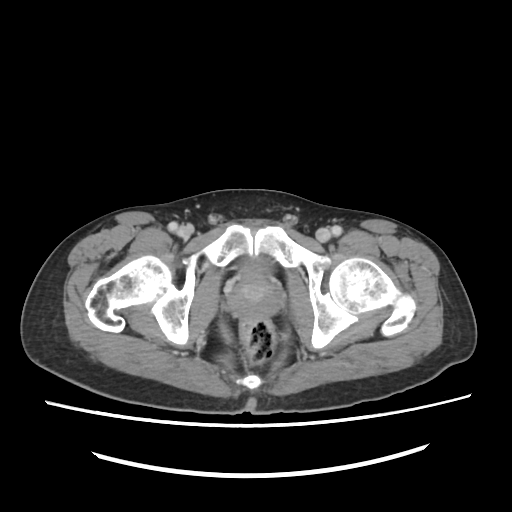
CT, abdomen/pelvis. axial view. 512x512 px. 45-year-old male patient
{"organs":{"prostate/uterus":[228,271,280,316]}}